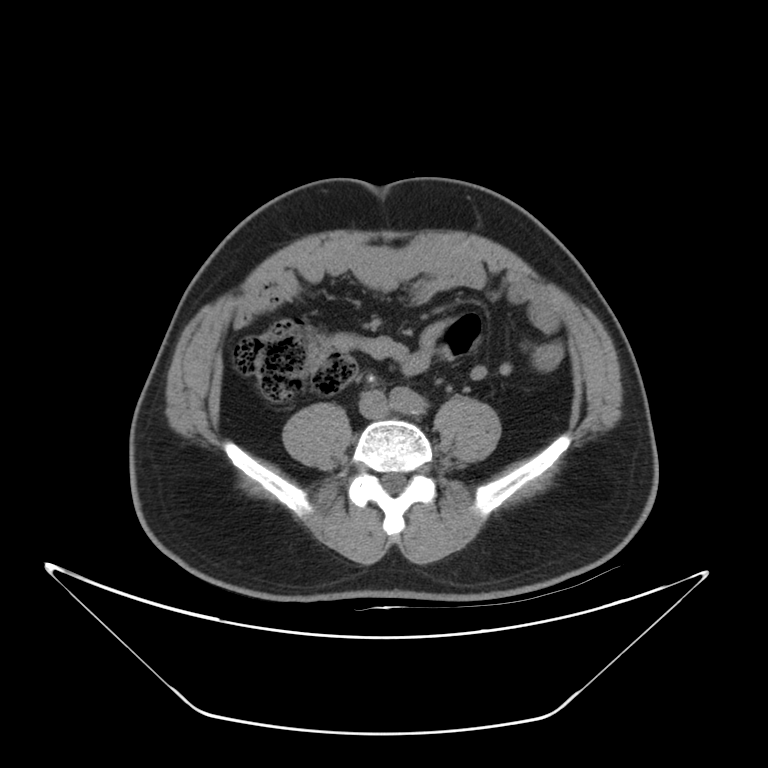

CT abdomen; axial view; acquired on Brilliance16
Bounding boxes as [x1, y1, x2, y2] in pixel coordinates.
Organ bounding boxes:
- aorta: [389, 386, 425, 414]
- inferior vena cava: [360, 391, 387, 418]